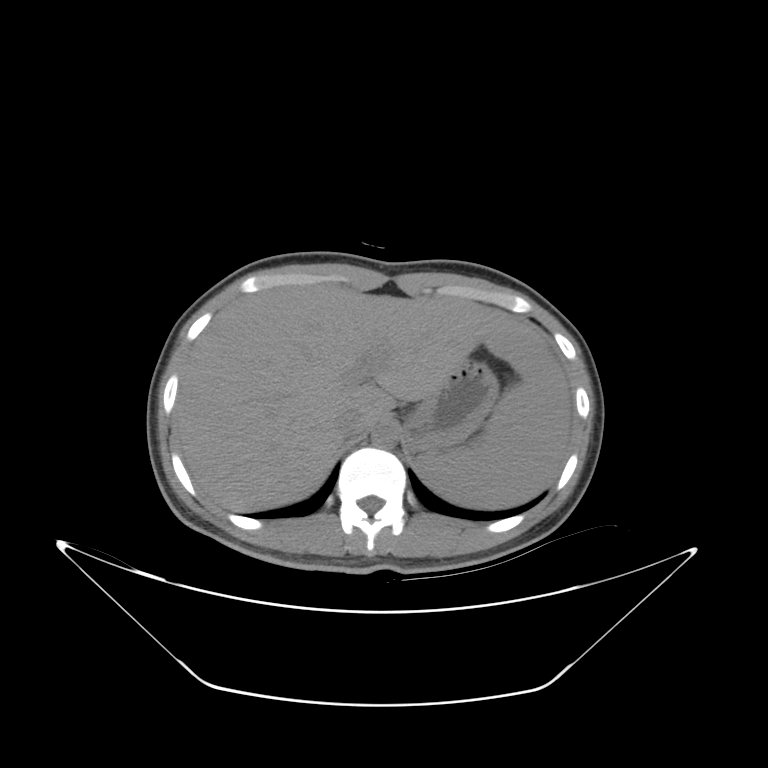
Abdominal CT. axial view. 15 organs annotated in this scan (a whole-scan count: organs this slice does not pass through have no box)
Coordinates as <box>x1,y1,x2,y2</box> in pixels.
spleen: <box>411,332,572,510</box>
liver: <box>177,280,565,512</box>
stomach: <box>402,362,497,448</box>
aorta: <box>372,423,399,447</box>
inferior vena cava: <box>339,412,367,435</box>